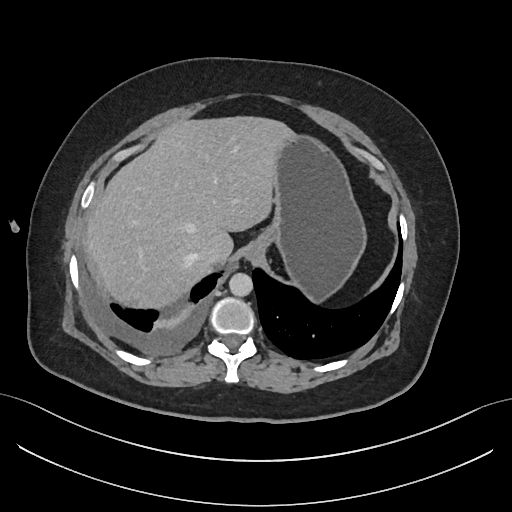 CT abdomen; Axial slice 190/305; soft-tissue window; SOMATOM Force scanner; scan has 15 labeled organs (a whole-scan count: organs this slice does not pass through have no box)
{"organs":{"liver":[86,115,292,307],"stomach":[247,134,367,304],"aorta":[229,273,253,297],"inferior vena cava":[197,244,221,265]}}